CT abdomen. axial view. 66-year-old male patient
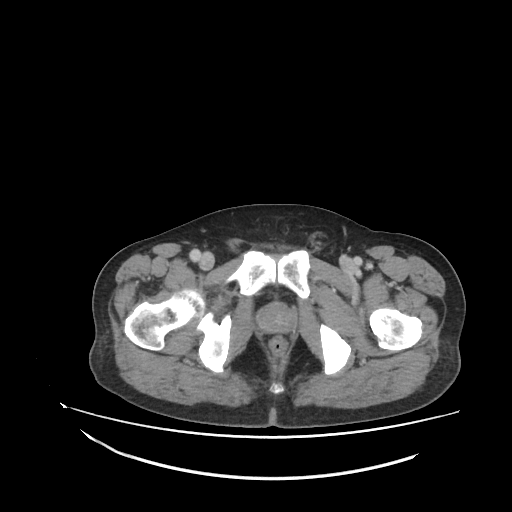 <organs><organ name="prostate/uterus" x1="261" y1="302" x2="293" y2="332"/></organs>